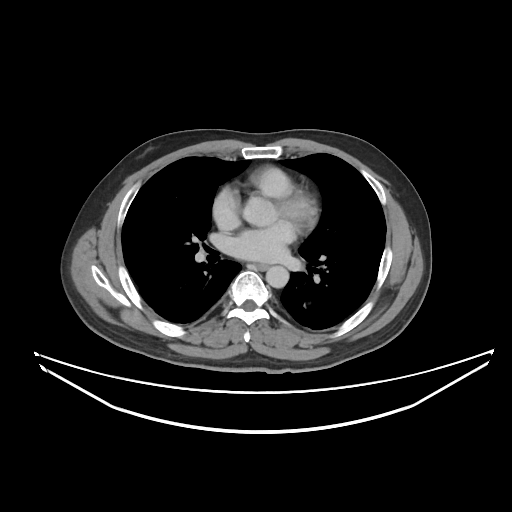 CT of the abdomen extending into the chest, slice through the chest — axial view — 40-year-old male patient
On a slice this high in the chest, this dataset labels only the esophagus and the aorta, and each is boxed only where it is labeled; the heart, lungs and other chest structures are not labeled. Boxes: x1 y1 x2 y2 (pixel coords, space-separated). Labeled organs on this slice: esophagus at 254 263 268 270, aorta at 266 265 289 288.